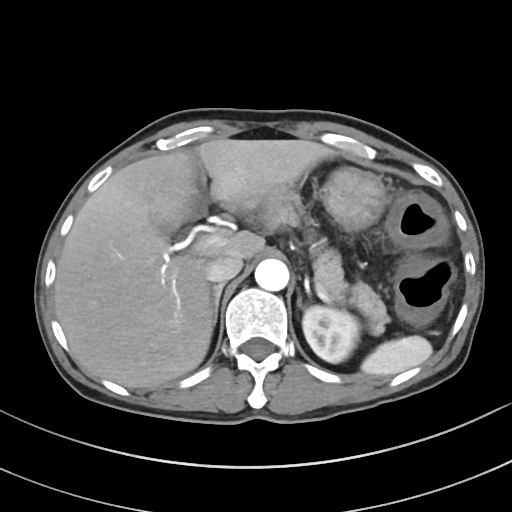

CT abdomen · axial view · 512x512 px
<organs><organ name="spleen" x1="361" y1="335" x2="432" y2="376"/><organ name="left kidney" x1="302" y1="306" x2="360" y2="363"/><organ name="gall bladder" x1="159" y1="224" x2="174" y2="235"/><organ name="liver" x1="54" y1="138" x2="335" y2="388"/><organ name="stomach" x1="320" y1="166" x2="386" y2="231"/><organ name="aorta" x1="254" y1="259" x2="289" y2="291"/><organ name="inferior vena cava" x1="205" y1="255" x2="242" y2="282"/><organ name="pancreas" x1="284" y1="210" x2="389" y2="334"/><organ name="right adrenal gland" x1="212" y1="283" x2="224" y2="325"/><organ name="left adrenal gland" x1="296" y1="293" x2="301" y2="307"/></organs>